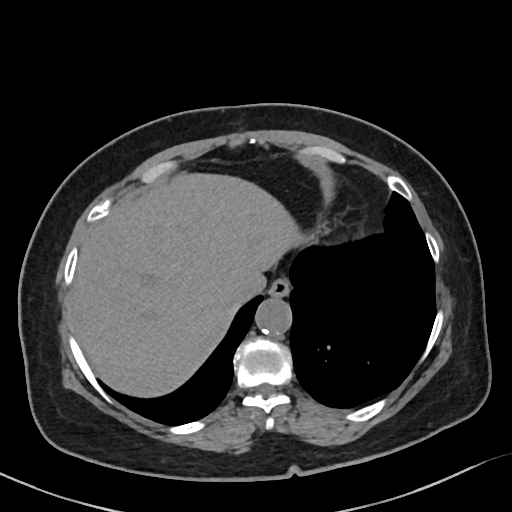 Computed tomography, abdomen. axial view
Bounding boxes in pixels, one row per box: x1, y1 is the top-left corner and x2, y2 the bottom-right.
| organ | x1 | y1 | x2 | y2 |
|---|---|---|---|---|
| esophagus | 268 | 278 | 290 | 297 |
| liver | 71 | 173 | 303 | 397 |
| aorta | 255 | 298 | 291 | 335 |
| inferior vena cava | 234 | 271 | 265 | 300 |